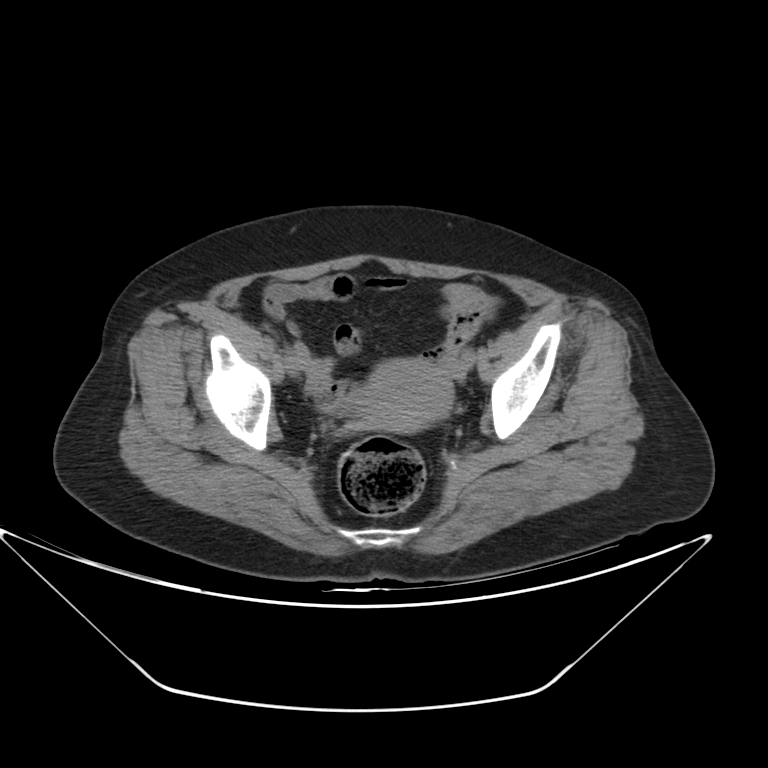
Abdominal CT. Axial slice 23/97. W/L 400/40 HU
<organs><organ name="prostate/uterus" x1="365" y1="360" x2="453" y2="433"/></organs>